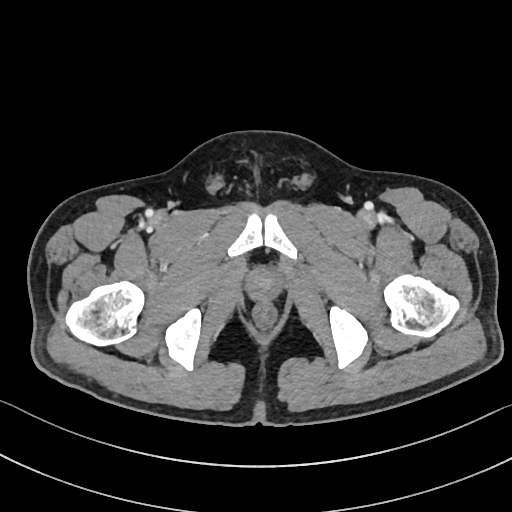
Computed tomography, abdomen; axial view; soft-tissue window (W 400 / L 40); 512x512 px
Bounding boxes in pixels, one row per box: x1, y1 is the top-left corner and x2, y2 the bottom-right.
| organ | x1 | y1 | x2 | y2 |
|---|---|---|---|---|
| prostate/uterus | 245 | 268 | 282 | 301 |